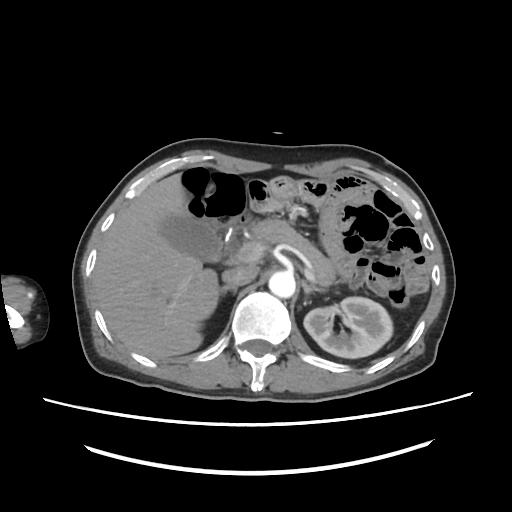
CT, abdomen/pelvis; axial view; 512x512 px; Aquilion ONE scanner
Bounding boxes as [x1, y1, x2, y2] in pixel coordinates.
left kidney: [304, 297, 392, 357]
gall bladder: [161, 211, 238, 260]
liver: [92, 172, 218, 359]
aorta: [269, 271, 296, 298]
inferior vena cava: [222, 264, 258, 287]
pancreas: [250, 220, 334, 284]
right adrenal gland: [219, 286, 236, 296]
left adrenal gland: [302, 280, 323, 302]